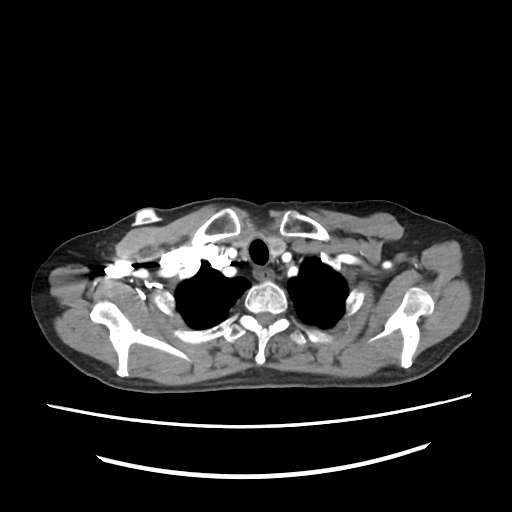
Chest-level CT slice, above the liver and spleen · Axial slice 126/132 · 67-year-old male patient
On a slice this high in the chest, this dataset labels only the esophagus and the aorta, and each is boxed only where it is labeled; the heart, lungs and other chest structures are not labeled. Boxes are (x1, y1, x2, y2) in pixels. 1 labeled organ on this slice — esophagus at (255, 268, 274, 279).